Abdominal CT · axial view · soft-tissue window (W 400 / L 40) · 512x512 px · acquired on Aquilion ONE
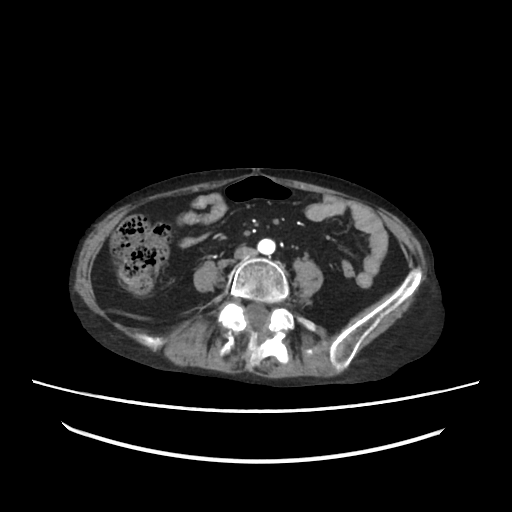
One row per box, in pixels: columns x1 and y1 give the top-left corner, x2 and y2 the bottom-right.
| organ | x1 | y1 | x2 | y2 |
|---|---|---|---|---|
| aorta | 258 | 239 | 276 | 255 |
| inferior vena cava | 235 | 247 | 257 | 259 |